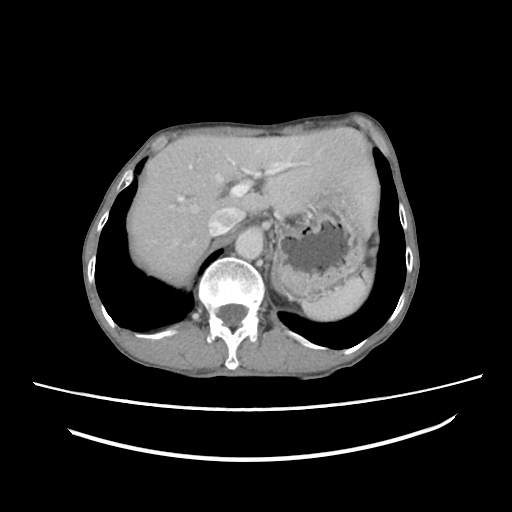
Computed tomography, abdomen — Axial slice 65/79 — W/L 400/40 HU — 59-year-old male patient
Bounding boxes in pixels, one row per box: x1, y1 is the top-left corner and x2, y2 the bottom-right.
| organ | x1 | y1 | x2 | y2 |
|---|---|---|---|---|
| aorta | 235 | 228 | 266 | 259 |
| left adrenal gland | 272 | 261 | 274 | 282 |
| stomach | 274 | 188 | 368 | 296 |
| inferior vena cava | 208 | 206 | 245 | 235 |
| liver | 127 | 127 | 379 | 285 |
| spleen | 300 | 268 | 372 | 320 |